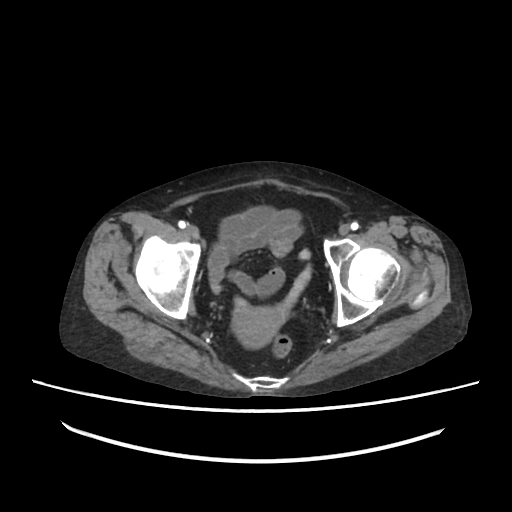

Computed tomography, abdomen. axial view. soft-tissue window (W 400 / L 40). 512x512 px
{"organs":{"prostate/uterus":[233,305,286,346]}}